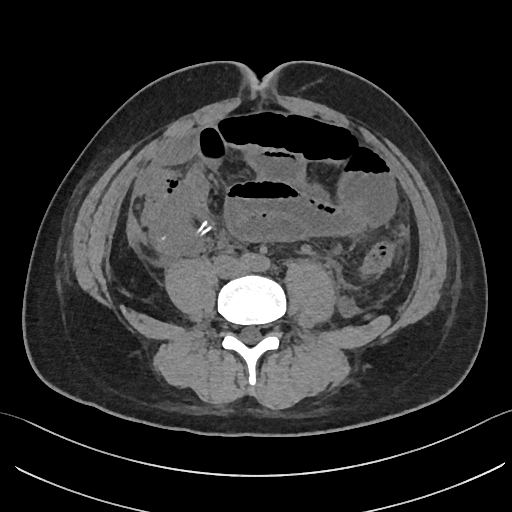
Abdominal CT · axial view · W/L 400/40 HU · scan has 15 labeled organs (that count is for the whole scan; organs this slice misses have no box)
<organs><organ name="inferior vena cava" x1="220" y1="260" x2="244" y2="275"/></organs>